CT abdomen. axial view. W/L 400/40 HU. 512x512 px
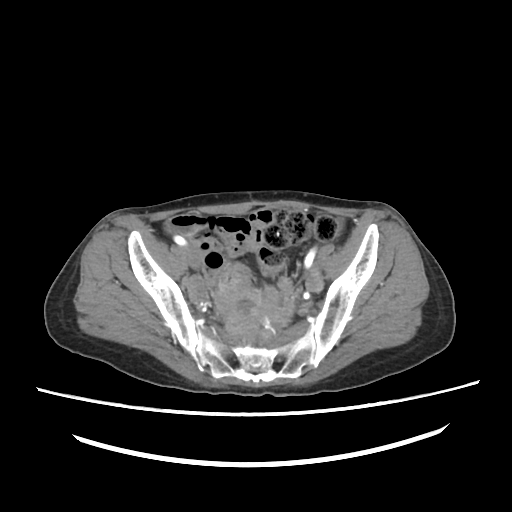 Coordinates as <box>x1,y1,x2,y2</box> in pixels. Labeled organs on this slice: prostate/uterus at <box>261,288,291,330</box>.